Chest-level CT slice, above the liver and spleen · axial view · soft-tissue window · 512x512 px · 40-year-old male patient · scan has 15 labeled organs (counted over the whole 3D scan, not this slice; an organ is boxed only where this slice passes through it)
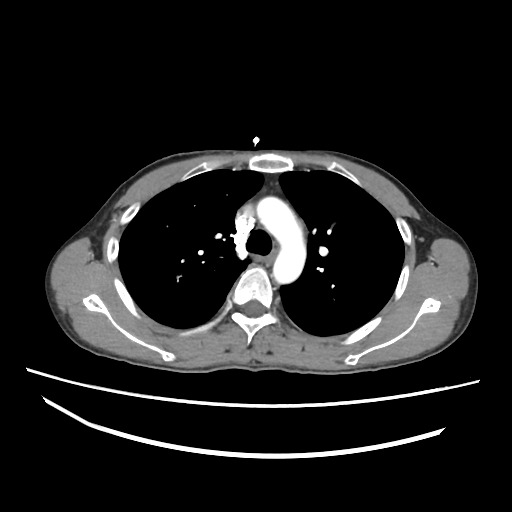
On a slice this high in the chest, this dataset labels only the esophagus and the aorta, and each is boxed only where it is labeled; the heart, lungs and other chest structures are not labeled.
<organs><organ name="aorta" x1="257" y1="196" x2="306" y2="283"/></organs>